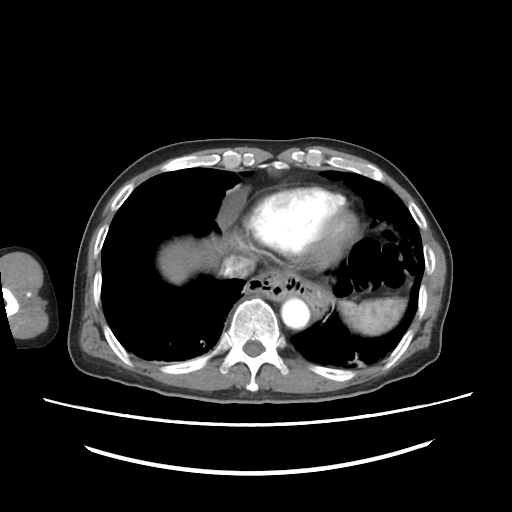 Abdominal CT · Axial slice 90/132 · W/L 400/40 HU · 512x512 px · 61-year-old male patient
Bounding boxes as [x1, y1, x2, y2] in pixel coordinates. Labeled organs on this slice: spleen at [338, 297, 409, 335], liver at [159, 238, 225, 283], aorta at [282, 298, 309, 330], inferior vena cava at [221, 257, 255, 278].